CT, abdomen/pelvis; axial view; W/L 400/40 HU; 512x512 px; scan has 15 labeled organs (counted over the whole 3D scan, not this slice; an organ is boxed only where this slice passes through it)
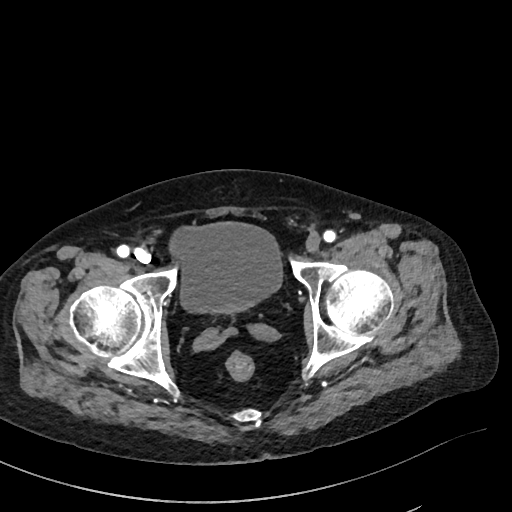

<organs><organ name="bladder" x1="170" y1="220" x2="283" y2="313"/></organs>